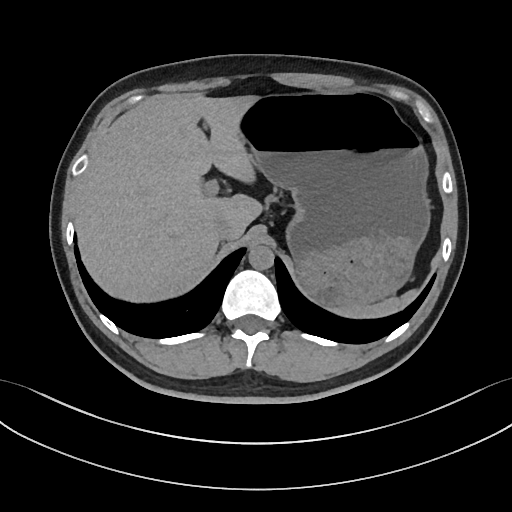 CT, abdomen/pelvis — axial view
<organs><organ name="stomach" x1="240" y1="91" x2="430" y2="307"/><organ name="aorta" x1="248" y1="245" x2="273" y2="270"/><organ name="spleen" x1="332" y1="291" x2="418" y2="318"/><organ name="inferior vena cava" x1="213" y1="218" x2="234" y2="240"/><organ name="liver" x1="75" y1="93" x2="262" y2="300"/></organs>